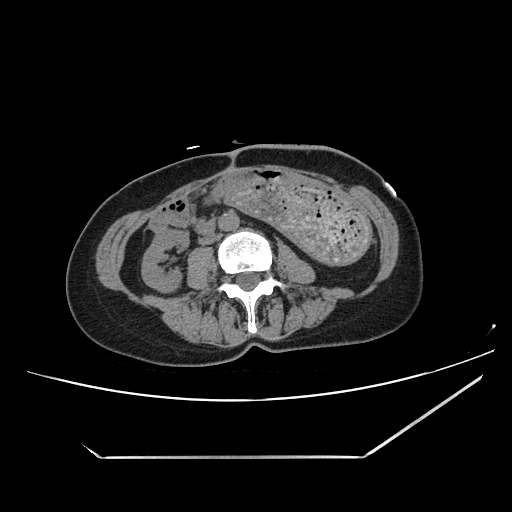 CT abdomen. axial view. soft-tissue window. acquired on SOMATOM Force
<organs><organ name="right kidney" x1="141" y1="230" x2="186" y2="292"/><organ name="stomach" x1="228" y1="182" x2="371" y2="265"/><organ name="aorta" x1="219" y1="212" x2="239" y2="231"/><organ name="inferior vena cava" x1="199" y1="233" x2="220" y2="244"/><organ name="duodenum" x1="197" y1="219" x2="215" y2="232"/></organs>